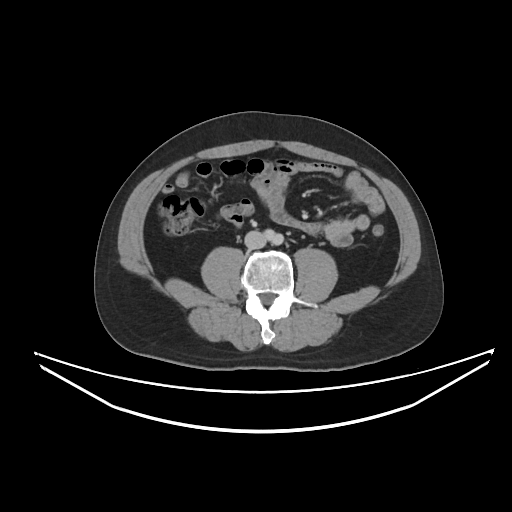 Abdominal CT — axial view — 40-year-old male patient
Bounding boxes in pixels, one row per box: x1, y1 is the top-left corner and x2, y2 the bottom-right.
| organ | x1 | y1 | x2 | y2 |
|---|---|---|---|---|
| inferior vena cava | 244 | 230 | 266 | 248 |